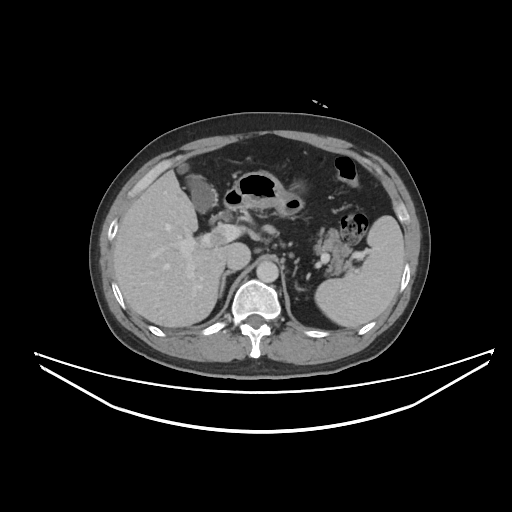

Computed tomography, abdomen; axial view; W/L 400/40 HU; 40-year-old male patient; Aquilion ONE scanner
Bounding boxes in pixels, one row per box: x1, y1 is the top-left corner and x2, y2 the bottom-right.
| organ | x1 | y1 | x2 | y2 |
|---|---|---|---|---|
| duodenum | 224 | 191 | 243 | 210 |
| gall bladder | 177 | 163 | 215 | 213 |
| aorta | 256 | 261 | 278 | 282 |
| spleen | 315 | 215 | 404 | 327 |
| pancreas | 313 | 228 | 352 | 274 |
| inferior vena cava | 226 | 243 | 250 | 270 |
| stomach | 230 | 171 | 303 | 216 |
| liver | 113 | 170 | 228 | 327 |
| left adrenal gland | 296 | 286 | 304 | 290 |
| right adrenal gland | 219 | 270 | 234 | 297 |